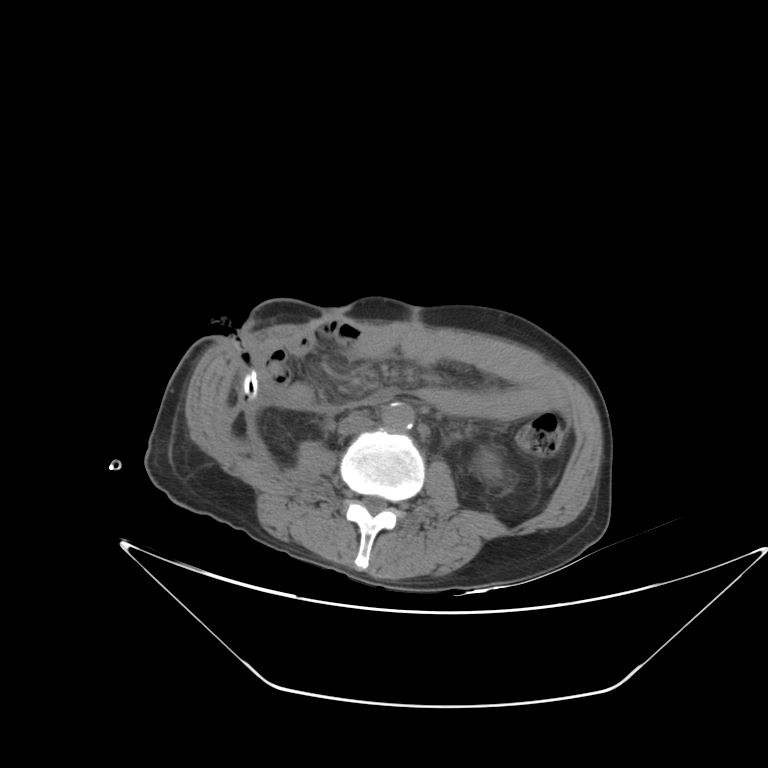 CT abdomen · axial view · abdomen soft-tissue window · scan has 14 labeled organs (that count is for the whole scan; organs this slice misses have no box)
Bounding boxes in pixels, one row per box: x1, y1 is the top-left corner and x2, y2 the bottom-right.
| organ | x1 | y1 | x2 | y2 |
|---|---|---|---|---|
| inferior vena cava | 338 | 412 | 373 | 435 |
| aorta | 382 | 402 | 414 | 431 |
| left kidney | 483 | 456 | 497 | 473 |